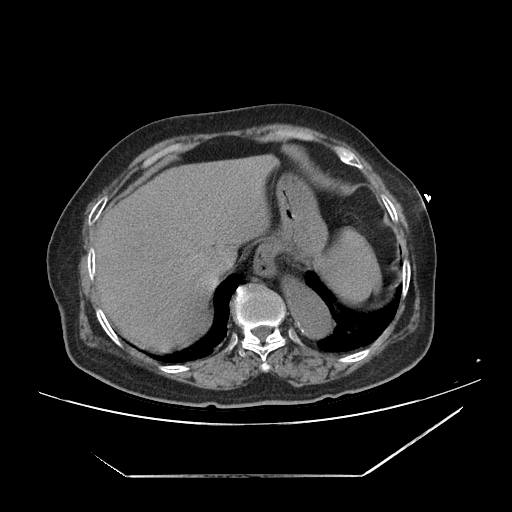
CT abdomen — axial plane, index 140 — abdomen soft-tissue window — scan has 15 labeled organs (that count is for the whole scan; organs this slice misses have no box)
{"organs":{"aorta":[282,277,330,337],"spleen":[314,227,381,304],"inferior vena cava":[205,246,235,275],"stomach":[256,172,327,261],"esophagus":[253,256,275,276],"liver":[94,154,278,352]}}